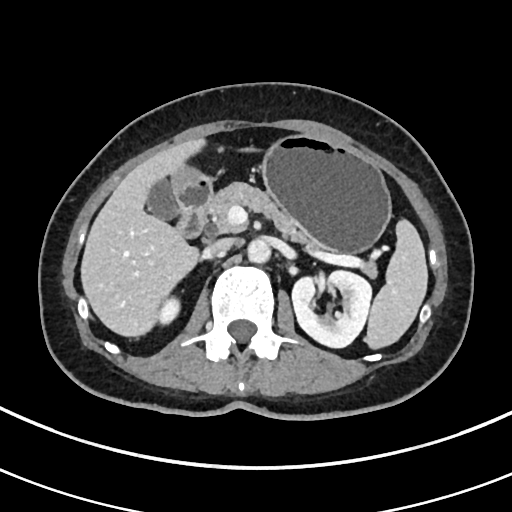

CT, abdomen/pelvis. axial view. soft-tissue window
{"organs":{"spleen":[365,221,427,347],"right kidney":[157,297,178,325],"left kidney":[292,269,372,347],"gall bladder":[144,179,177,219],"liver":[81,139,207,335],"stomach":[168,133,391,252],"aorta":[247,238,270,262],"inferior vena cava":[205,238,232,255],"pancreas":[205,182,378,276],"duodenum":[175,183,211,238]}}